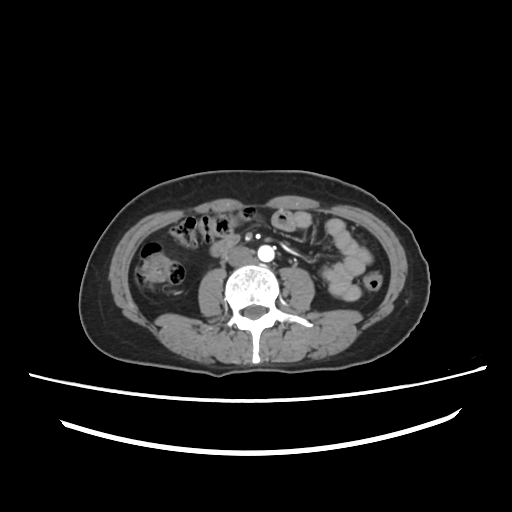 CT abdomen · Axial slice 55/123 · 512x512 px · 45-year-old female patient
<organs><organ name="inferior vena cava" x1="225" y1="246" x2="253" y2="266"/><organ name="aorta" x1="257" y1="245" x2="274" y2="261"/></organs>